CT of the abdomen extending into the chest, slice through the chest — axial plane, index 294
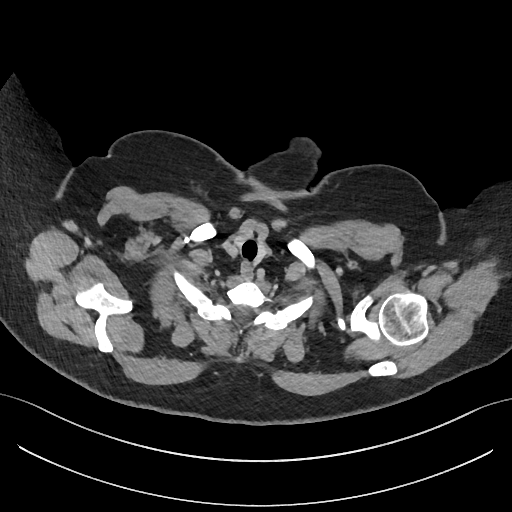 On a slice this high in the chest, this dataset labels only the esophagus and the aorta, and each is boxed only where it is labeled; the heart, lungs and other chest structures are not labeled.
{"organs":{"esophagus":[240,262,252,280]}}